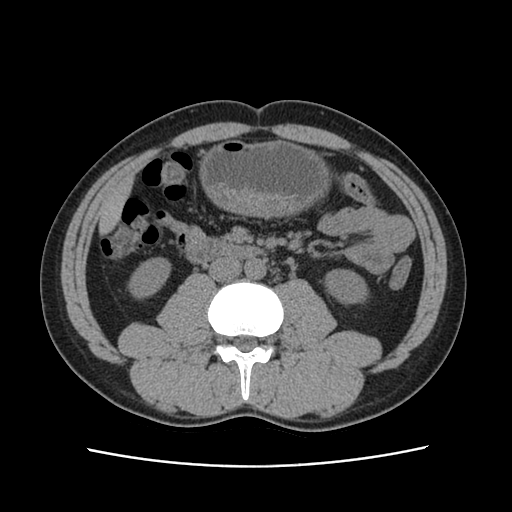
CT, abdomen/pelvis · Axial slice 100/167 · W/L 400/40 HU · 512x512 px
Bounding boxes as [x1, y1, x2, y2] in pixel coordinates. The annotated organs in this slice are: aorta at [244, 259, 266, 279], duodenum at [182, 236, 259, 264], right kidney at [129, 258, 171, 297], left kidney at [325, 268, 366, 304], stomach at [198, 139, 330, 219], liver at [100, 171, 135, 236], inferior vena cava at [208, 257, 241, 282].